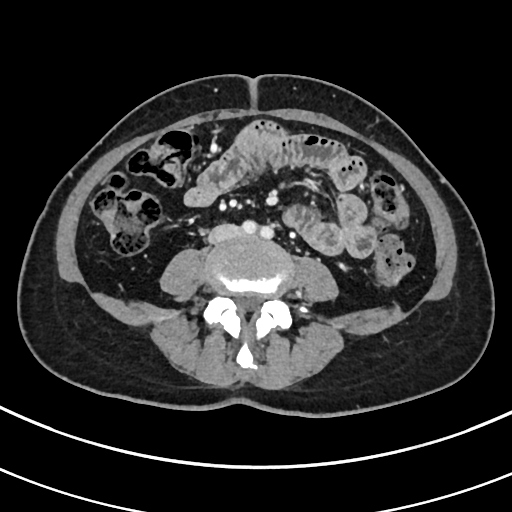

Computed tomography, abdomen · axial view · 512x512 px · 15 organs annotated in this scan (counted over the whole 3D scan, not this slice; an organ is boxed only where this slice passes through it)
{"organs":{"inferior vena cava":[209,224,242,242]}}